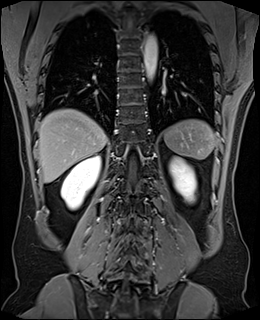 MRI, abdomen; coronal acquisition; 1st–99th percentile window; acquired on Prisma
{"organs":{"left kidney":[169,157,196,202],"spleen":[163,119,216,159],"liver":[38,109,107,182],"right kidney":[61,155,100,209],"aorta":[143,34,157,80]}}